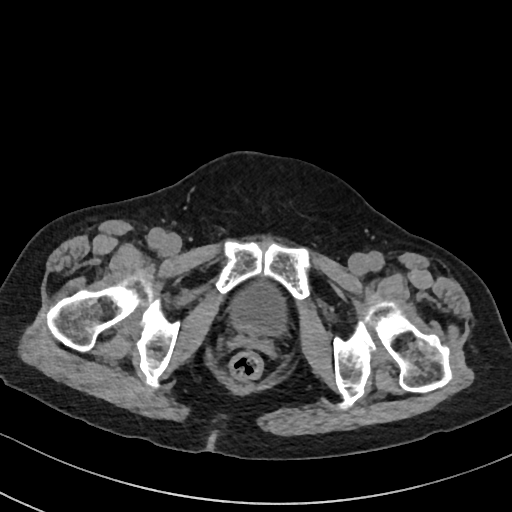
Computed tomography, abdomen; Axial slice 29/202
Boxes are (x1, y1, x2, y2) in pixels. Labeled organs on this slice: bladder at (231, 285, 285, 334).